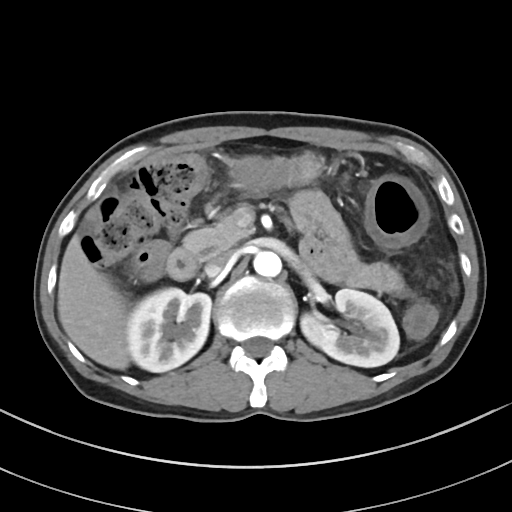 CT abdomen — Axial slice 62/89 — soft-tissue window (W 400 / L 40)
Box edges are left/top/right/bottom in pixels. 9 labeled organs on this slice — right kidney at left=126, top=287, right=211, bottom=372; left kidney at left=300, top=289, right=399, bottom=367; gall bladder at left=87, top=210, right=96, bottom=219; liver at left=57, top=234, right=129, bottom=369; stomach at left=230, top=152, right=320, bottom=194; aorta at left=253, top=251, right=281, bottom=277; inferior vena cava at left=205, top=250, right=232, bottom=275; pancreas at left=182, top=214, right=253, bottom=257; duodenum at left=166, top=248, right=198, bottom=280.